CT, abdomen/pelvis · axial view · abdomen soft-tissue window · Aquilion ONE scanner
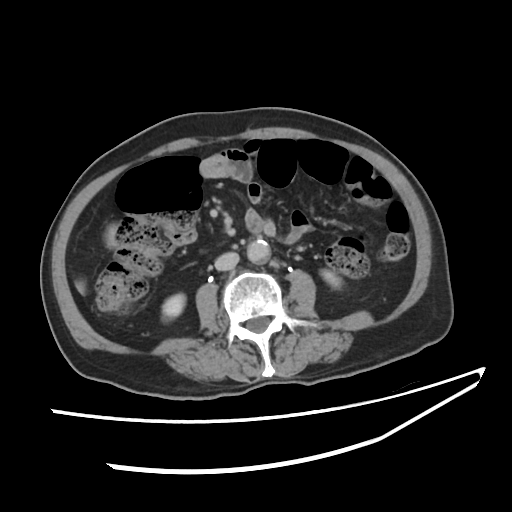
Box edges are left/top/right/bottom in pixels. The annotated organs in this slice are: right kidney at left=163, top=294, right=185, bottom=318, left kidney at left=322, top=269, right=342, bottom=287, aorta at left=247, top=240, right=270, bottom=264, inferior vena cava at left=214, top=252, right=238, bottom=270.